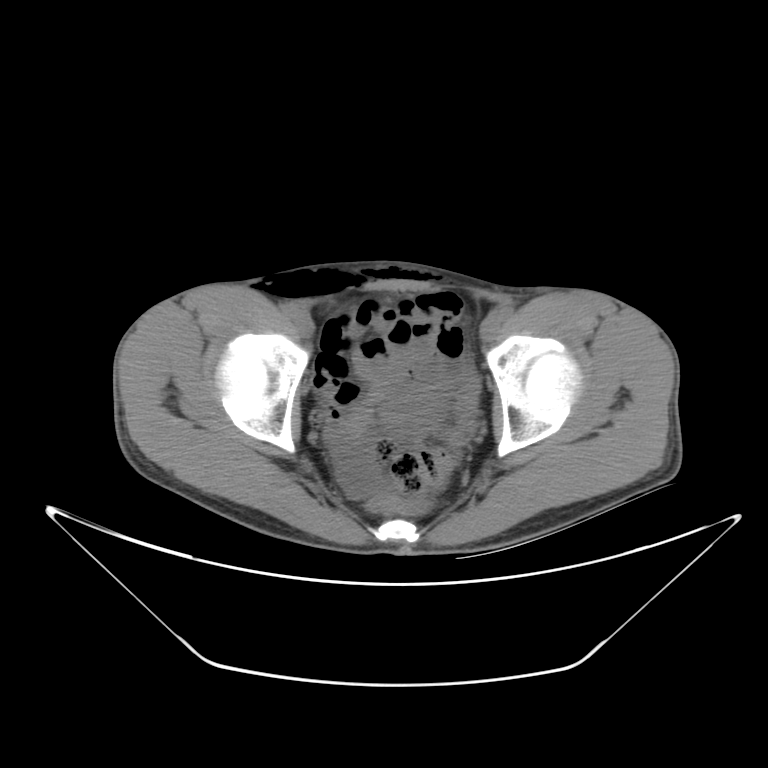
Computed tomography, abdomen. Axial slice 21/95
<organs><organ name="bladder" x1="388" y1="386" x2="450" y2="427"/></organs>